CT, abdomen/pelvis — axial plane, index 80 — W/L 400/40 HU — 512x512 px — 41-year-old male patient — 15 organs annotated in this scan (a whole-scan count: organs this slice does not pass through have no box)
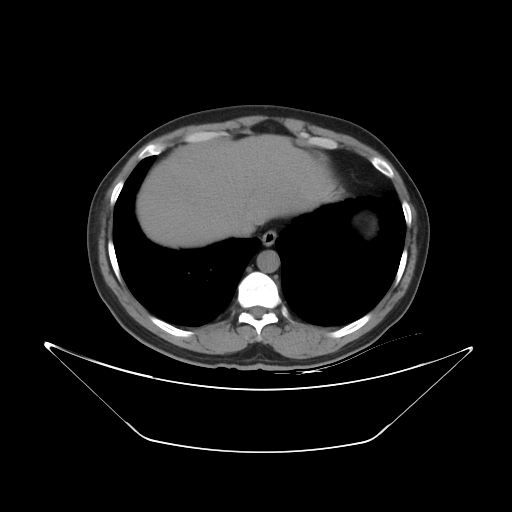

Box edges are left/top/right/bottom in pixels.
esophagus: left=261, top=230, right=276, bottom=246
liver: left=137, top=134, right=332, bottom=247
aorta: left=256, top=250, right=279, bottom=272
inferior vena cava: left=228, top=219, right=254, bottom=236